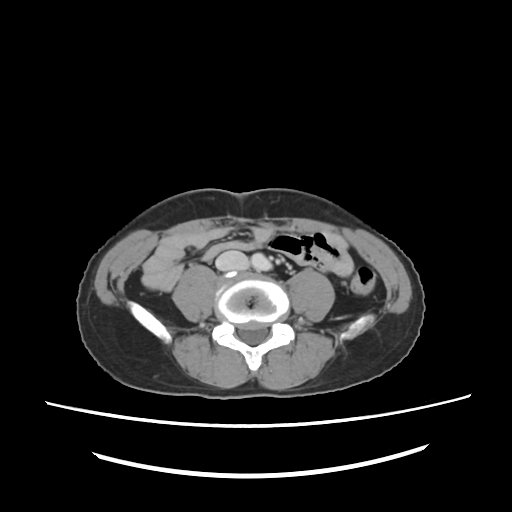

Computed tomography, abdomen — axial view — 512x512 px
<organs><organ name="aorta" x1="248" y1="253" x2="269" y2="273"/><organ name="inferior vena cava" x1="217" y1="251" x2="246" y2="271"/></organs>